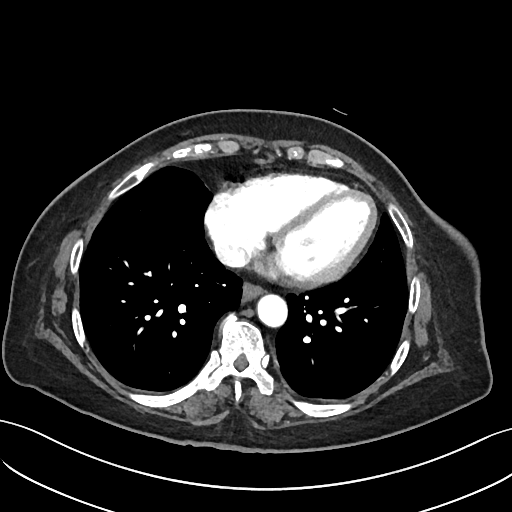 Abdominal CT; this slice is in the lower chest, just above the liver — Axial slice 189/276 — 512x512 px — SOMATOM Force scanner
Of the structures in the chest, this dataset labels only the esophagus, the aorta and the inferior vena cava; the heart and lungs have no label.
Organ boxes in pixel coordinates; each row gives the top-left (x1, y1) and bottom-right (x2, y2) corners.
| organ | x1 | y1 | x2 | y2 |
|---|---|---|---|---|
| esophagus | 242 | 285 | 262 | 300 |
| aorta | 257 | 295 | 287 | 328 |
| inferior vena cava | 214 | 240 | 247 | 267 |